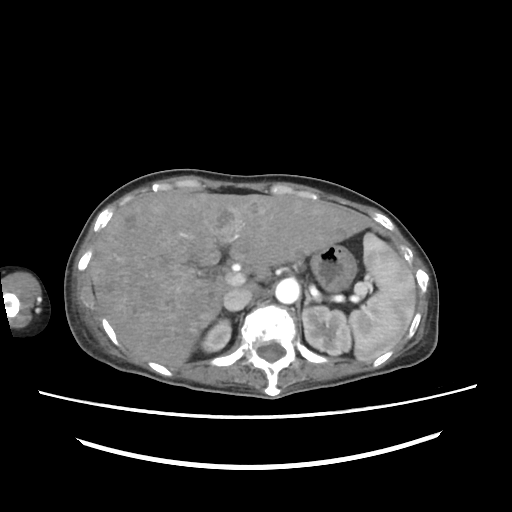 Computed tomography, abdomen · axial view · 512x512 px · 48-year-old female patient · acquired on Aquilion ONE
Boxes are (x1, y1, x2, y2) in pixels.
Organ bounding boxes:
- spleen: (349, 232, 415, 361)
- right kidney: (200, 319, 231, 352)
- left kidney: (302, 306, 351, 355)
- liver: (89, 190, 367, 367)
- stomach: (310, 244, 356, 291)
- aorta: (275, 278, 299, 303)
- inferior vena cava: (223, 288, 252, 310)
- left adrenal gland: (304, 290, 312, 307)